Abdominal CT — axial view — 512x512 px
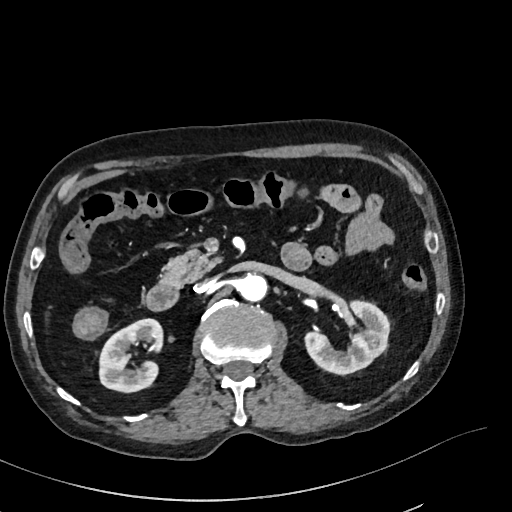 Boxes: x1:y1:x2:y2 in pixels. 6 labeled organs on this slice — inferior vena cava at 194:279:213:292; duodenum at 146:278:181:310; aorta at 237:274:267:302; pancreas at 160:247:220:284; right kidney at 98:319:163:392; left kidney at 303:302:389:375.